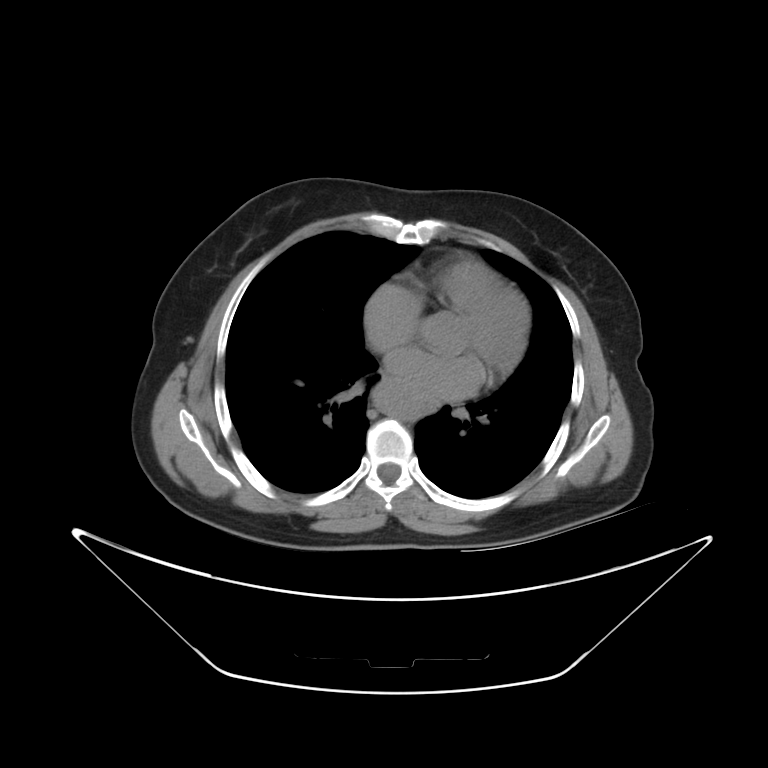 CT of the abdomen reaching into the lower chest, slice just above the liver and spleen · axial view · soft-tissue window · 56-year-old female patient · acquired on Brilliance16
Of the structures in the chest, this dataset labels only the esophagus, the aorta and the inferior vena cava; the heart and lungs have no label.
Boxes: x1:y1:x2:y2 in pixels.
aorta: 370:382:434:423
inferior vena cava: 382:379:383:381